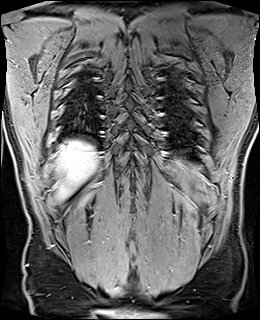
Abdominal MRI — coronal view — 1st–99th percentile window — acquired on Prisma — scan has 13 labeled organs (that count is for the whole scan; organs this slice misses have no box)
{"organs":{"liver":[56,140,97,199]}}